Computed tomography, abdomen. axial view. abdomen soft-tissue window
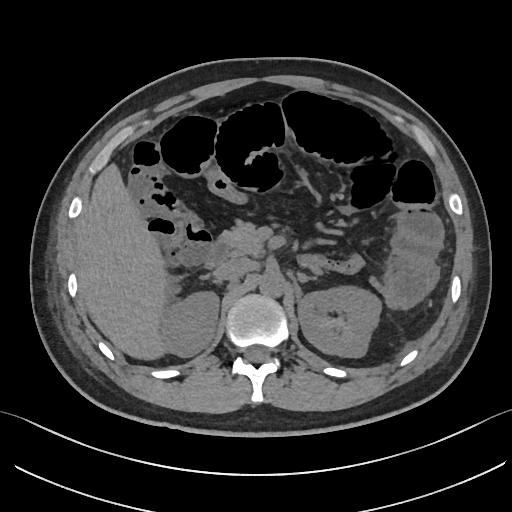 Box edges are left/top/right/bottom in pixels.
liver: left=76, top=164, right=170, bottom=359
duodenum: left=204, top=240, right=229, bottom=267
right kidney: left=160, top=291, right=219, bottom=356
pancreas: left=219, top=221, right=263, bottom=255
aorta: left=259, top=270, right=284, bottom=296
left kidney: left=297, top=286, right=381, bottom=357
inferior vena cava: left=214, top=258, right=254, bottom=280
right adrenal gland: left=213, top=279, right=221, bottom=284
left adrenal gland: left=300, top=275, right=308, bottom=281